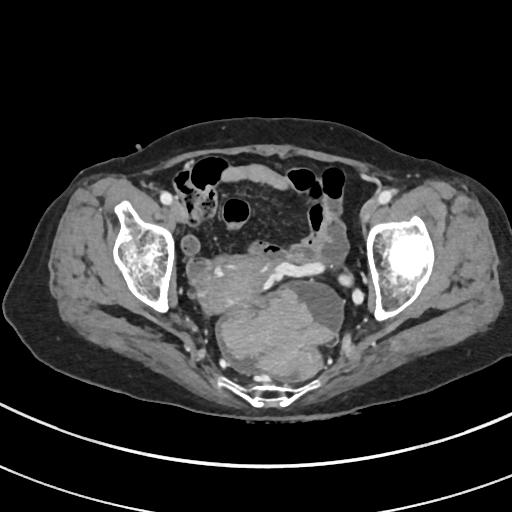
CT, abdomen/pelvis — axial view — 512x512 px
Box edges are left/top/right/bottom in pixels.
Organ bounding boxes:
- prostate/uterus: left=198, top=258, right=264, bottom=313